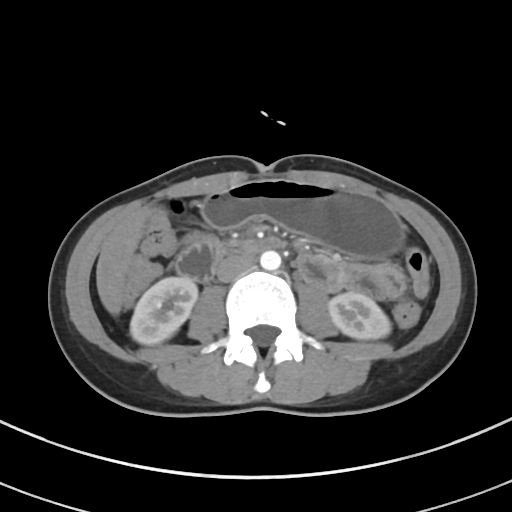
CT, abdomen/pelvis · Axial slice 47/121 · 512x512 px
{"organs":{"inferior vena cava":[216,254,254,282],"left kidney":[328,292,390,339],"right kidney":[130,276,197,344],"stomach":[202,179,404,259],"duodenum":[175,242,248,285],"aorta":[260,250,281,270],"liver":[96,209,146,315]}}